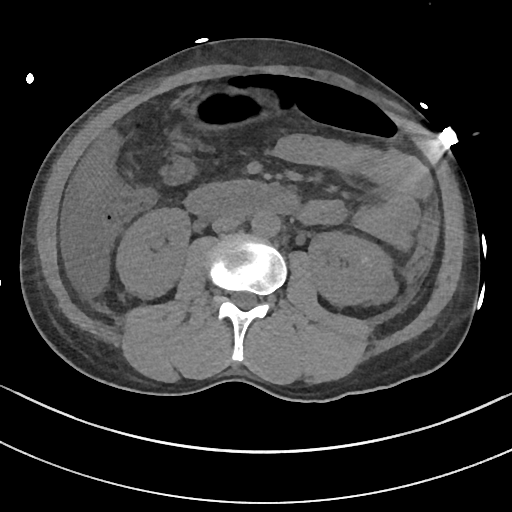

CT, abdomen/pelvis — axial view — acquired on SOMATOM Force
Boxes are (x1, y1, x2, y2) in pixels.
duodenum: (184, 180, 298, 217)
aorta: (251, 210, 280, 237)
inferior vena cava: (212, 216, 240, 231)
right kidney: (116, 208, 189, 297)
stomach: (187, 92, 262, 127)
left kidney: (308, 231, 397, 305)
liver: (78, 131, 119, 206)